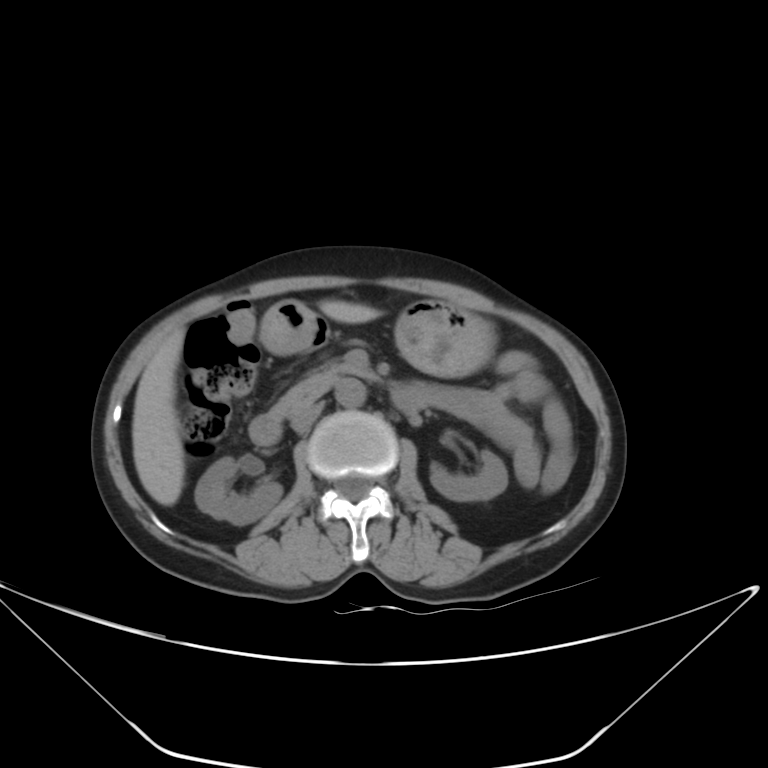 CT, abdomen/pelvis · axial plane, index 55 · 768x768 px · Brilliance16 scanner
Boxes: x1 y1 x2 y2 (pixel coords, space-separated).
right kidney: 194 456 282 524
left kidney: 430 450 508 500
liver: 131 299 381 505
stomach: 260 299 494 376
aorta: 335 379 366 407
inferior vena cava: 290 401 324 432
pancreas: 280 365 375 410
duodenum: 249 387 427 445